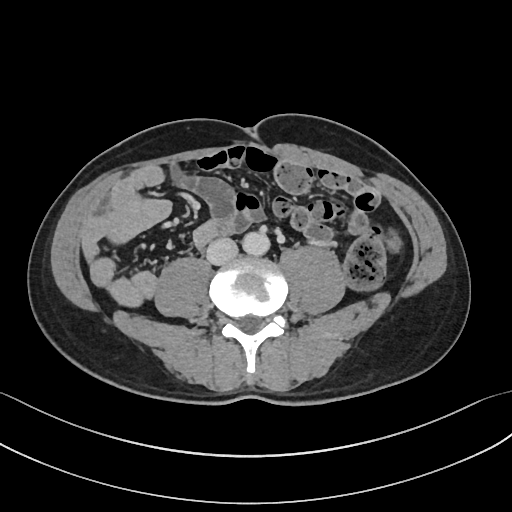

CT abdomen — axial view — scan has 14 labeled organs (counted over the whole 3D scan, not this slice; an organ is boxed only where this slice passes through it)
Each box given as x1,y1,x2,y2. The annotated organs in this slice are: aorta at x1=242, y1=232, x2=270, y2=255, inferior vena cava at x1=206, y1=237, x2=238, y2=265.